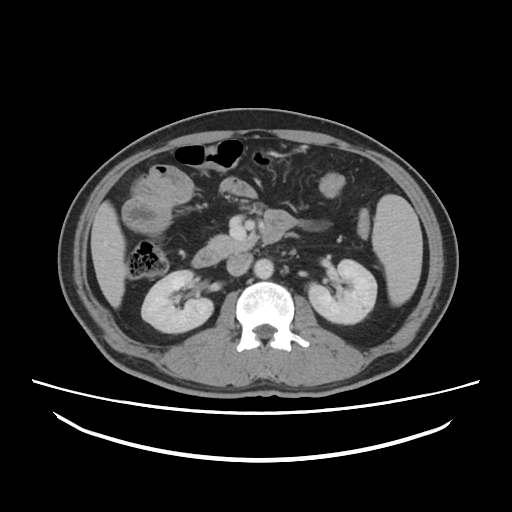

Computed tomography, abdomen · axial view
{"organs":{"spleen":[372,194,422,305],"liver":[91,201,127,308],"pancreas":[208,234,257,252],"inferior vena cava":[226,253,252,276],"left kidney":[308,259,376,324],"aorta":[254,258,273,279],"right kidney":[141,270,213,332],"duodenum":[192,210,296,267]}}